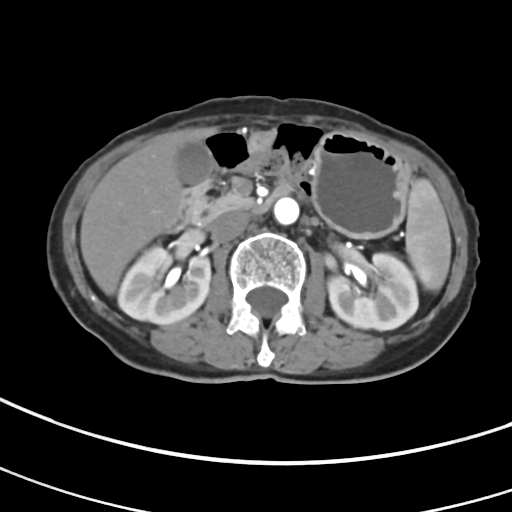 CT, abdomen/pelvis; axial plane, index 54; abdomen soft-tissue window; 512x512 px; acquired on SOMATOM Force
Coordinates as <box>x1,y1,x2,y2</box> in pixels.
Organ bounding boxes:
- spleen: <box>406,178,451,290</box>
- right kidney: <box>118,246,210,324</box>
- left kidney: <box>327,253,418,330</box>
- gall bladder: <box>175,142,212,184</box>
- liver: <box>80,127,217,295</box>
- stomach: <box>248,132,410,238</box>
- aorta: <box>274,197,299,224</box>
- inferior vena cava: <box>208,210,249,242</box>
- pancreas: <box>193,193,254,226</box>
- duodenum: <box>168,179,290,231</box>